CT, abdomen/pelvis. axial plane, index 53. W/L 400/40 HU. 512x512 px. 55-year-old male patient. acquired on Aquilion ONE
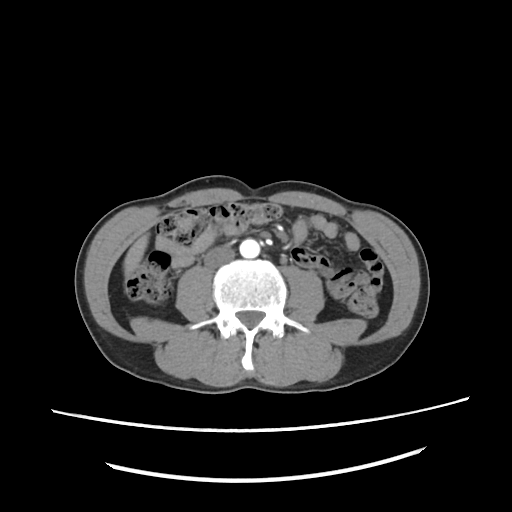 Bounding boxes as [x1, y1, x2, y2] in pixel coordinates.
liver: [121, 231, 148, 277]
aorta: [239, 238, 259, 258]
inferior vena cava: [207, 246, 236, 268]